CT, abdomen/pelvis. axial view
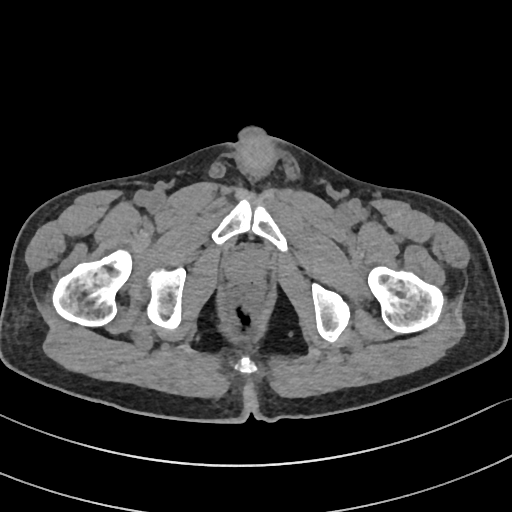 <organs><organ name="prostate/uterus" x1="228" y1="253" x2="262" y2="282"/></organs>